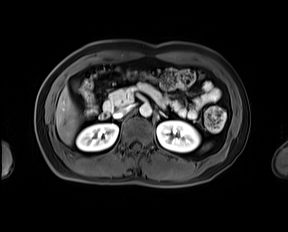
Magnetic resonance imaging, abdomen; axial view; percentile-normalized; 288x232 px; acquired on Prisma; scan has 13 labeled organs (a whole-scan count: organs this slice does not pass through have no box)
Organ boxes in pixel coordinates; each row gives the top-left (x1, y1) and bottom-right (x2, y2) corners.
| organ | x1 | y1 | x2 | y2 |
|---|---|---|---|---|
| spleen | 201 | 142 | 211 | 151 |
| right kidney | 76 | 123 | 118 | 151 |
| left kidney | 157 | 120 | 199 | 152 |
| gall bladder | 73 | 81 | 79 | 89 |
| liver | 56 | 87 | 78 | 144 |
| aorta | 139 | 104 | 151 | 117 |
| inferior vena cava | 113 | 106 | 131 | 118 |
| pancreas | 103 | 83 | 164 | 112 |
| left adrenal gland | 160 | 111 | 167 | 117 |
| duodenum | 99 | 111 | 109 | 119 |